Computed tomography, abdomen; axial view; soft-tissue window; 512x512 px
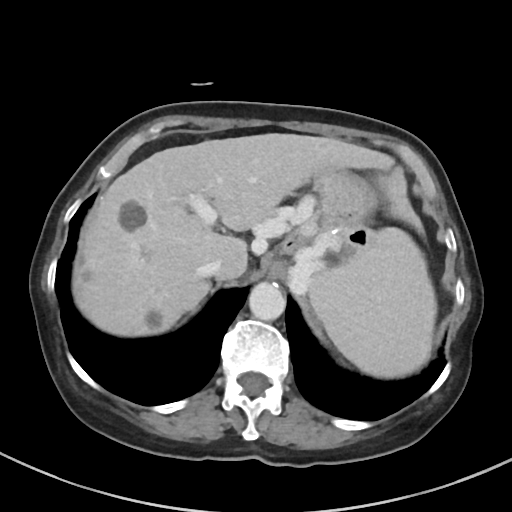
<organs><organ name="aorta" x1="249" y1="282" x2="285" y2="320"/><organ name="liver" x1="72" y1="133" x2="423" y2="336"/><organ name="spleen" x1="306" y1="228" x2="436" y2="377"/><organ name="stomach" x1="275" y1="170" x2="378" y2="260"/><organ name="inferior vena cava" x1="197" y1="257" x2="223" y2="278"/></organs>